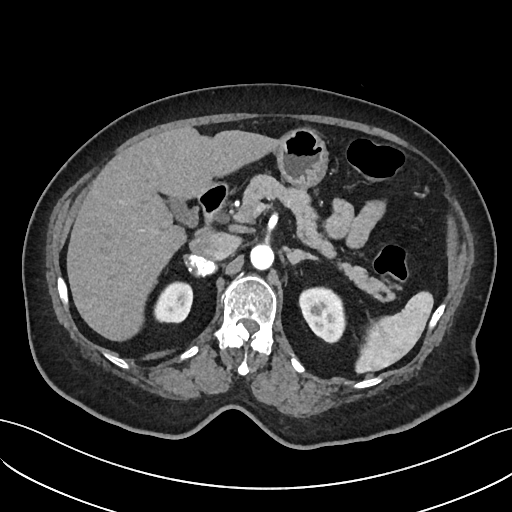 CT abdomen; Axial slice 140/276; 512x512 px
<organs><organ name="spleen" x1="355" y1="291" x2="433" y2="372"/><organ name="right kidney" x1="155" y1="281" x2="192" y2="322"/><organ name="left kidney" x1="299" y1="287" x2="345" y2="342"/><organ name="gall bladder" x1="168" y1="199" x2="199" y2="226"/><organ name="liver" x1="67" y1="126" x2="280" y2="341"/><organ name="stomach" x1="276" y1="127" x2="327" y2="189"/><organ name="aorta" x1="250" y1="244" x2="274" y2="269"/><organ name="inferior vena cava" x1="189" y1="231" x2="238" y2="260"/><organ name="pancreas" x1="241" y1="174" x2="393" y2="301"/><organ name="right adrenal gland" x1="184" y1="255" x2="218" y2="274"/><organ name="left adrenal gland" x1="286" y1="249" x2="316" y2="264"/><organ name="duodenum" x1="198" y1="181" x2="229" y2="223"/></organs>